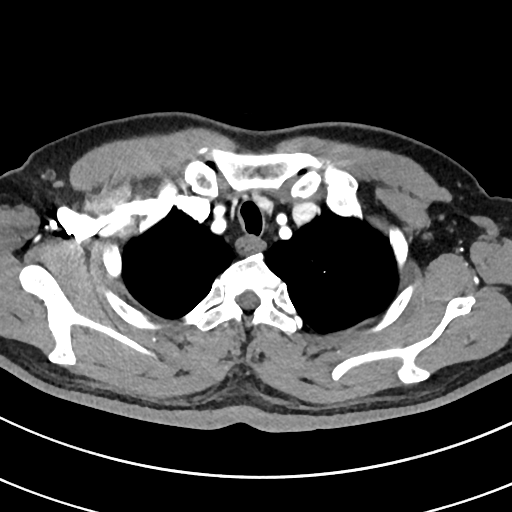
Chest-level CT slice, above the liver and spleen — axial view — soft-tissue window (W 400 / L 40) — 512x512 px
On a slice this high in the chest, this dataset labels only the esophagus and the aorta, and each is boxed only where it is labeled; the heart, lungs and other chest structures are not labeled.
{"organs":{"esophagus":[236,235,264,252]}}